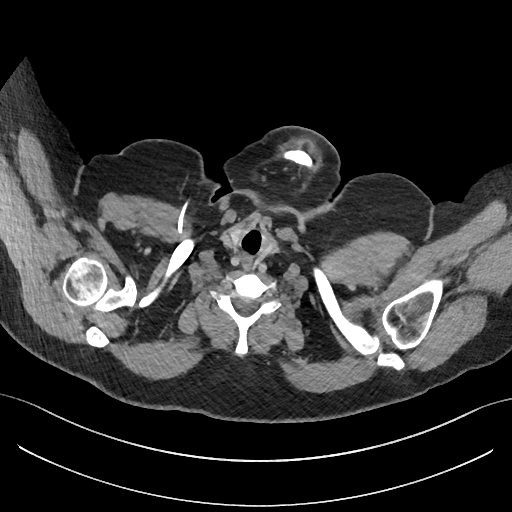

Chest-level CT slice, above the liver and spleen — axial plane, index 300 — 512x512 px — SOMATOM Force scanner — 15 organs annotated in this scan (that count is for the whole scan; organs this slice misses have no box)
At this level of the chest this dataset labels only the esophagus and the aorta, and each is boxed only where it is labeled; the heart and lungs are never labeled.
{"organs":{"esophagus":[241,255,251,270]}}